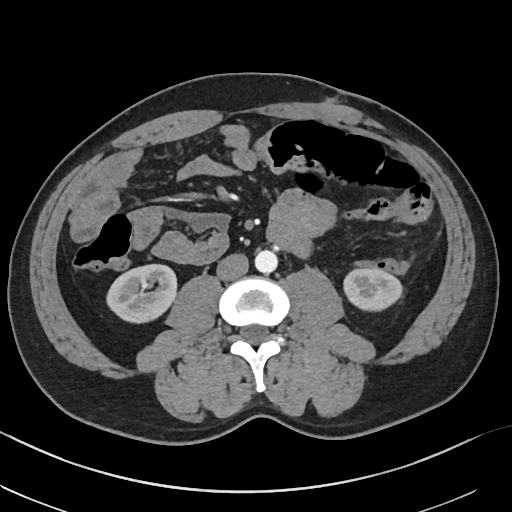
CT, abdomen/pelvis; axial view; SOMATOM Force scanner
Bounding boxes in pixels, one row per box: x1, y1 is the top-left corner and x2, y2 the bottom-right.
| organ | x1 | y1 | x2 | y2 |
|---|---|---|---|---|
| inferior vena cava | 216 | 253 | 248 | 280 |
| left kidney | 342 | 267 | 401 | 309 |
| aorta | 255 | 250 | 277 | 273 |
| right kidney | 107 | 264 | 177 | 322 |